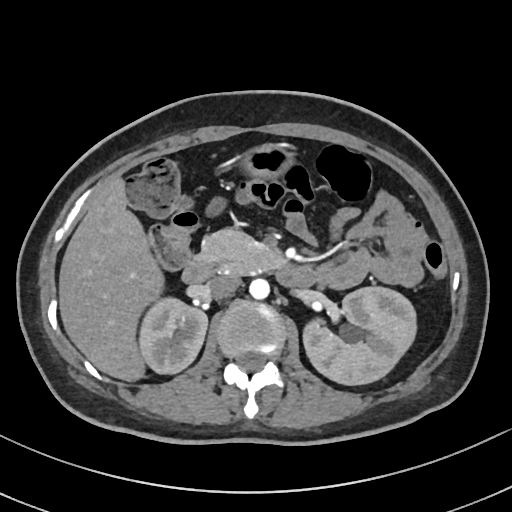
Abdominal CT; axial view; 512x512 px; 15 organs annotated in this scan (counted over the whole 3D scan, not this slice; an organ is boxed only where this slice passes through it)
Each box given as x1,y1,x2,y2.
right kidney: x1=138, y1=298, x2=207, y2=373
left kidney: x1=301, y1=288, x2=414, y2=384
liver: x1=58, y1=179, x2=164, y2=382
stomach: x1=242, y1=144, x2=293, y2=179
aorta: x1=249, y1=279, x2=269, y2=299
inferior vena cava: x1=205, y1=274, x2=241, y2=299
pancreas: x1=197, y1=230, x2=285, y2=274
duodenum: x1=182, y1=258, x2=317, y2=286